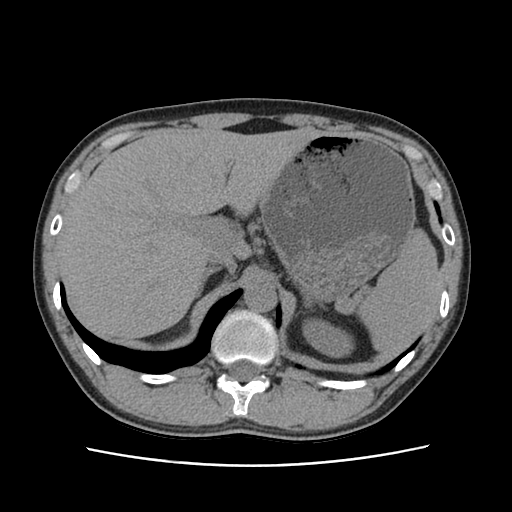 Computed tomography, abdomen · axial view
Boxes are (x1, y1, x2, y2) in pixels.
spleen: (334, 233, 440, 354)
left kidney: (304, 321, 350, 355)
liver: (58, 130, 322, 339)
stomach: (261, 133, 416, 303)
aorta: (243, 283, 276, 312)
inferior vena cava: (206, 248, 238, 272)
right adrenal gland: (195, 270, 214, 299)
left adrenal gland: (304, 298, 311, 305)